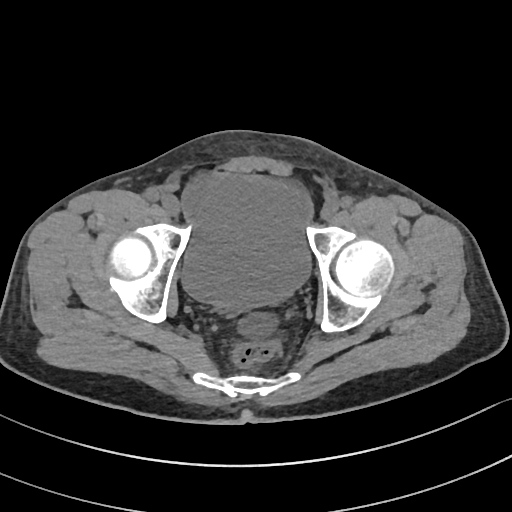 CT, abdomen/pelvis; axial view; W/L 400/40 HU; 512x512 px
Organ boxes in pixel coordinates; each row gives the top-left (x1, y1) and bottom-right (x2, y2) corners.
| organ | x1 | y1 | x2 | y2 |
|---|---|---|---|---|
| bladder | 180 | 175 | 311 | 305 |